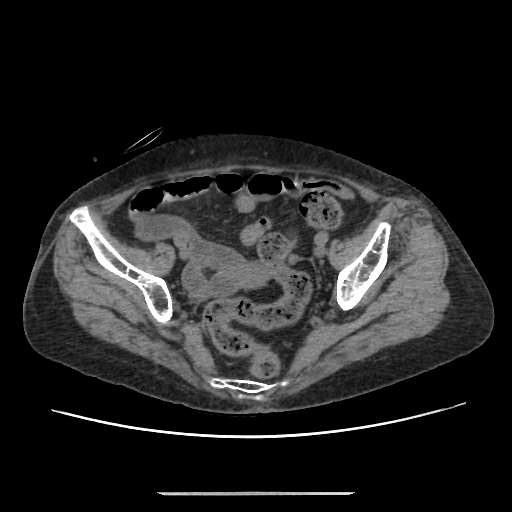

Abdominal CT — axial view — scan has 14 labeled organs (counted over the whole 3D scan, not this slice; an organ is boxed only where this slice passes through it)
{"organs":{"prostate/uterus":[228,263,270,287]}}